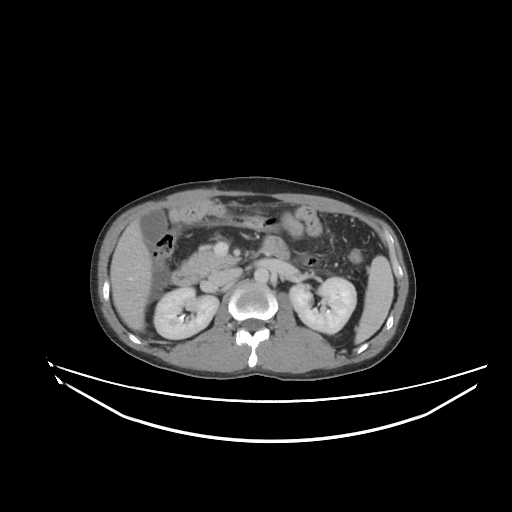
CT abdomen. axial plane, index 65. 512x512 px. 47-year-old male patient
One row per box, in pixels: columns x1 and y1 give the top-left corner, x2 and y2 the bottom-right.
| organ | x1 | y1 | x2 | y2 |
|---|---|---|---|---|
| spleen | 355 | 255 | 393 | 343 |
| right kidney | 153 | 286 | 218 | 339 |
| left kidney | 289 | 277 | 356 | 333 |
| gall bladder | 141 | 210 | 167 | 244 |
| liver | 110 | 218 | 152 | 331 |
| aorta | 254 | 267 | 269 | 283 |
| inferior vena cava | 208 | 268 | 241 | 287 |
| pancreas | 182 | 248 | 238 | 276 |
| duodenum | 171 | 269 | 199 | 285 |